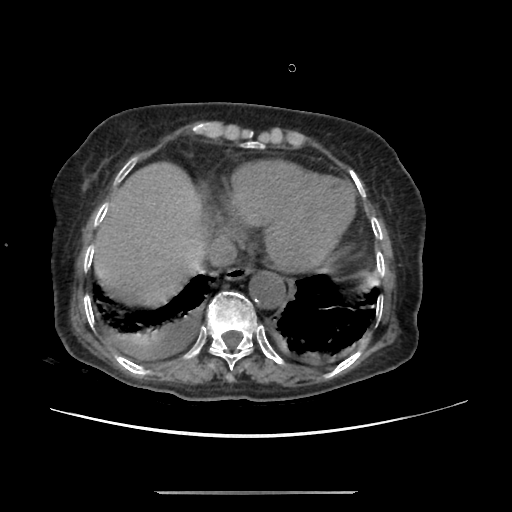
Abdominal CT. axial view. soft-tissue window. SOMATOM Force scanner
Boxes are (x1, y1, x2, y2) in pixels.
Organ bounding boxes:
- esophagus: (225, 268, 252, 279)
- liver: (93, 160, 216, 305)
- aorta: (248, 270, 284, 306)
- inferior vena cava: (205, 235, 236, 267)